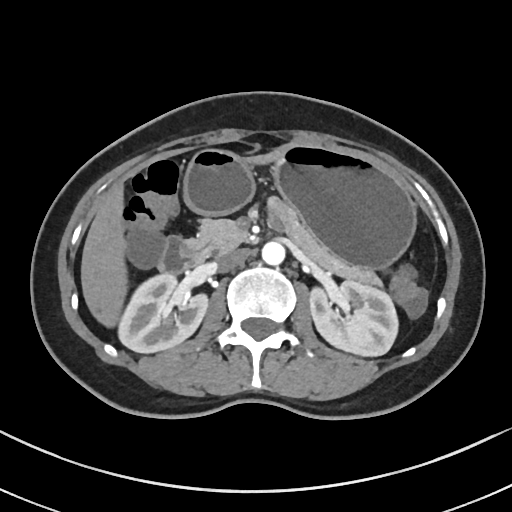 Computed tomography, abdomen; axial view; acquired on SOMATOM Force
Each box given as x1,y1,x2,y2.
Organ bounding boxes:
- right kidney: x1=118, y1=273, x2=208, y2=353
- left kidney: x1=310, y1=280, x2=398, y2=356
- liver: x1=81, y1=153, x2=275, y2=327
- stomach: x1=183, y1=144, x2=415, y2=268
- aorta: x1=261, y1=241, x2=284, y2=265
- inferior vena cava: x1=216, y1=249, x2=248, y2=272
- pancreas: x1=188, y1=214, x2=381, y2=286
- duodenum: x1=158, y1=236, x2=203, y2=274